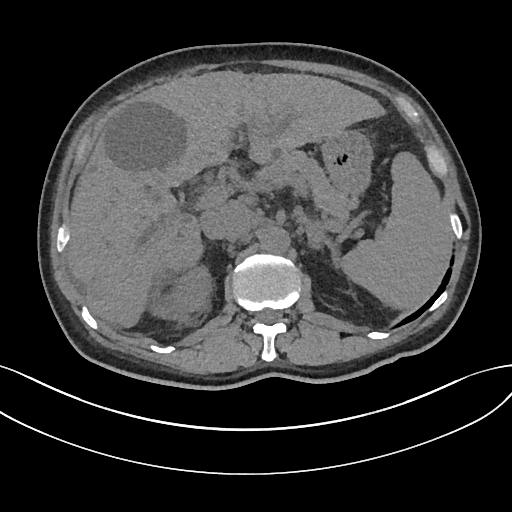
Computed tomography, abdomen · axial view · acquired on SOMATOM Force
Box edges are left/top/right/bottom in pixels. Labeled organs on this slice: spleen at left=338, top=152, right=451, bottom=309, right kidney at left=165, top=265, right=212, bottom=318, liver at left=66, top=70, right=385, bottom=327, stomach at left=321, top=130, right=372, bottom=195, aorta at left=260, top=227, right=289, bottom=253, inferior vena cava at left=200, top=202, right=244, bottom=239, pancreas at left=256, top=150, right=357, bottom=223, left adrenal gland at left=305, top=220, right=337, bottom=262.